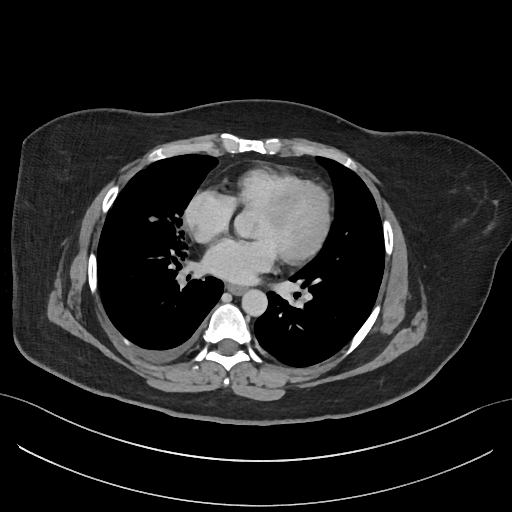

Lower-chest slice from an abdominal CT, just above the liver and spleen — axial view
No part of the heart or lungs is labeled in this dataset, so neither has a box here.
{"organs":{"esophagus":[227,285,246,295],"aorta":[241,290,267,317]}}